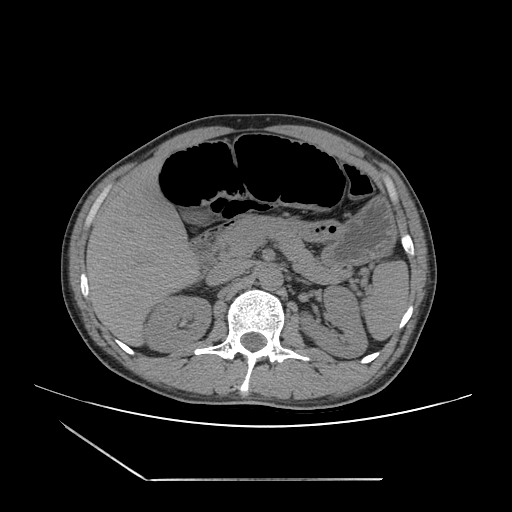 CT abdomen; Axial slice 127/173; abdomen soft-tissue window; 15 organs annotated in this scan (that count is for the whole scan; organs this slice misses have no box)
Boxes: x1:y1:x2:y2 in pixels. Labeled organs on this slice: inferior vena cava at 207:259:247:285, duodenum at 188:231:218:278, right kidney at 147:296:210:351, aorta at 259:267:282:290, spleen at 363:253:408:340, gall bladder at 183:210:208:226, pancreas at 216:216:349:284, left kidney at 301:286:367:358, liver at 86:161:197:344, stomach at 300:199:395:264.